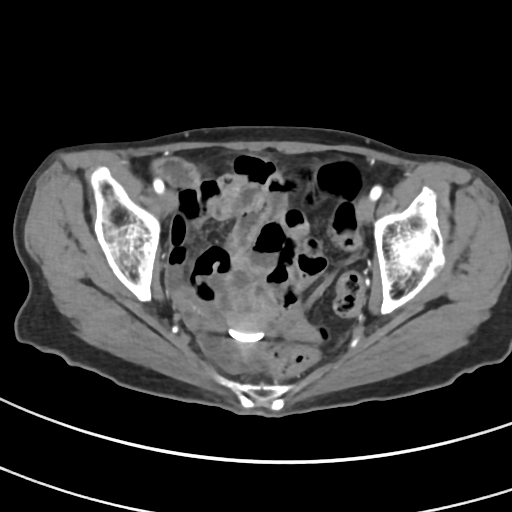 Abdominal CT; Axial slice 20/118; W/L 400/40 HU
<organs><organ name="prostate/uterus" x1="227" y1="310" x2="267" y2="345"/></organs>